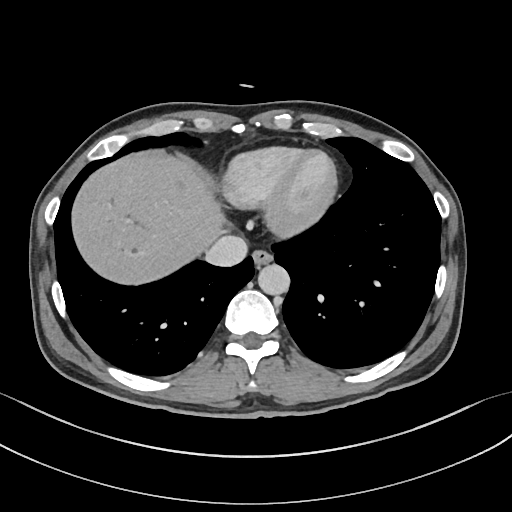

CT, abdomen/pelvis. axial view
Bounding boxes as [x1, y1, x2, y2] in pixel coordinates.
Organ bounding boxes:
- esophagus: [252, 248, 272, 266]
- liver: [70, 151, 226, 285]
- aorta: [257, 264, 289, 294]
- inferior vena cava: [205, 236, 247, 266]